MRI, abdomen. axial view. percentile-normalized. 320x260 px. acquired on Prisma
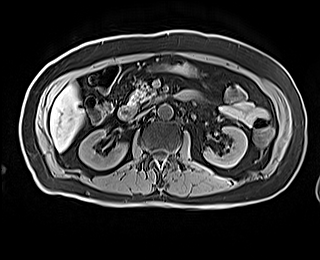 Box edges are left/top/right/bottom in pixels. The annotated organs in this slice are: right kidney at left=79, top=128, right=127, bottom=169, left kidney at left=204, top=126, right=247, bottom=167, liver at left=50, top=84, right=84, bottom=151, stomach at left=149, top=61, right=197, bottom=76, aorta at left=158, top=104, right=173, bottom=119, inferior vena cava at left=136, top=109, right=148, bottom=118, pancreas at left=128, top=80, right=156, bottom=107, duodenum at left=118, top=107, right=136, bottom=120.